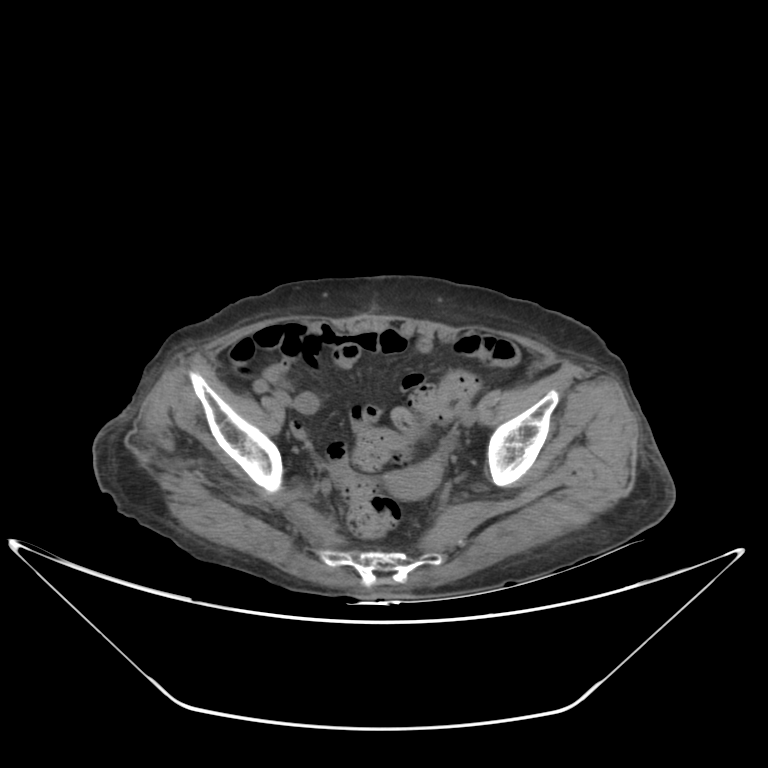 Abdominal CT; axial view; abdomen soft-tissue window; 768x768 px; female patient aged 90 or older; 15 organs annotated in this scan (that count is for the whole scan; organs this slice misses have no box)
<organs><organ name="prostate/uterus" x1="387" y1="458" x2="444" y2="496"/></organs>